Abdominal CT; this slice is in the lower chest, just above the liver. axial view. 512x512 px
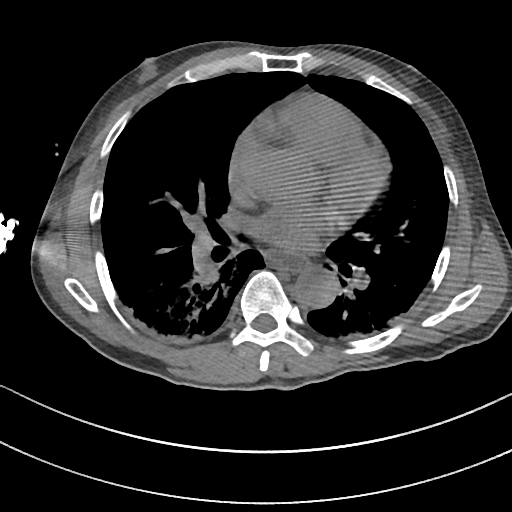
The heart and lungs are never labeled in this dataset, so they have no box on this slice.
One row per box, in pixels: columns x1 and y1 give the top-left corner, x2 and y2 the bottom-right.
| organ | x1 | y1 | x2 | y2 |
|---|---|---|---|---|
| esophagus | 266 | 251 | 307 | 271 |
| aorta | 294 | 271 | 335 | 307 |